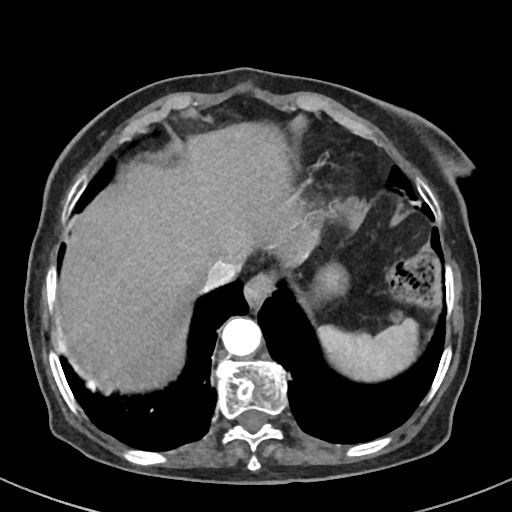 Computed tomography, abdomen. axial view
{"organs":{"spleen":[317,318,418,382],"esophagus":[244,273,274,310],"liver":[60,123,318,392],"stomach":[313,262,348,298],"aorta":[221,317,261,356],"inferior vena cava":[201,260,237,291]}}